CT abdomen · axial view · 768x768 px
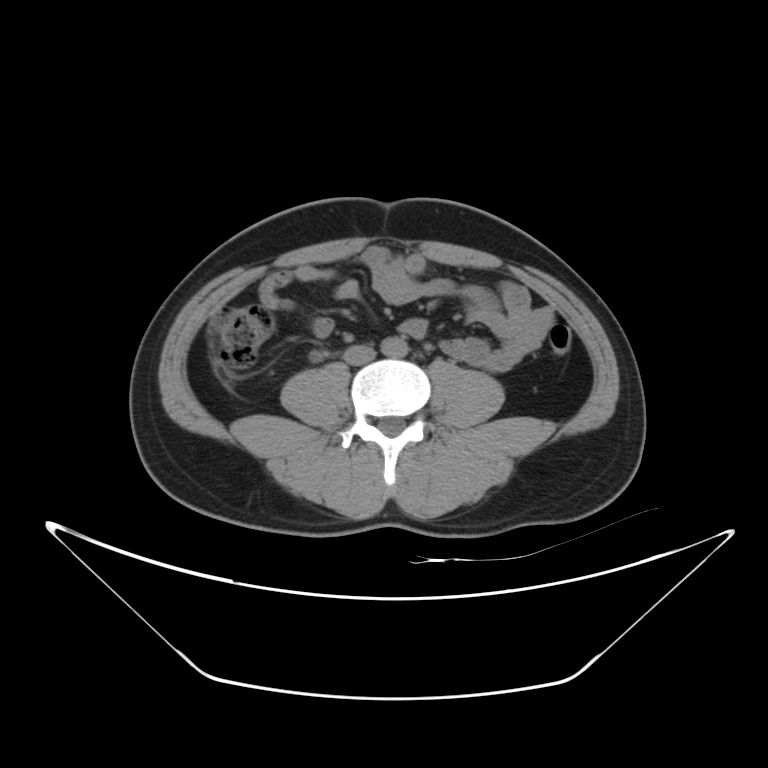
Each box given as x1,y1,x2,y2.
aorta: x1=381, y1=337, x2=408, y2=357
inferior vena cava: x1=343, y1=345, x2=376, y2=364